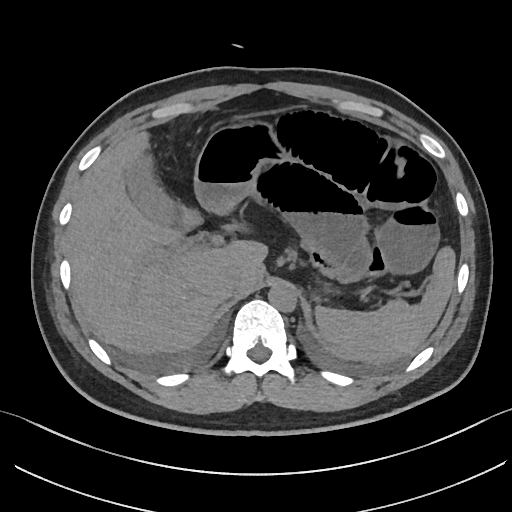 Abdominal CT · axial view · soft-tissue window · acquired on SOMATOM Force · 15 organs annotated in this scan (that count is for the whole scan; organs this slice misses have no box)
Boxes: x1 y1 x2 y2 (pixel coords, space-separated).
Organ bounding boxes:
- spleen: 315 249 454 365
- gall bladder: 124 154 177 229
- liver: 68 133 267 355
- stomach: 195 121 281 214
- aorta: 267 285 295 311
- inferior vena cava: 224 267 244 290
- pancreas: 285 246 306 265
- duodenum: 215 208 235 216